CT, abdomen/pelvis — axial plane, index 96 — 512x512 px — scan has 15 labeled organs (counted over the whole 3D scan, not this slice; an organ is boxed only where this slice passes through it)
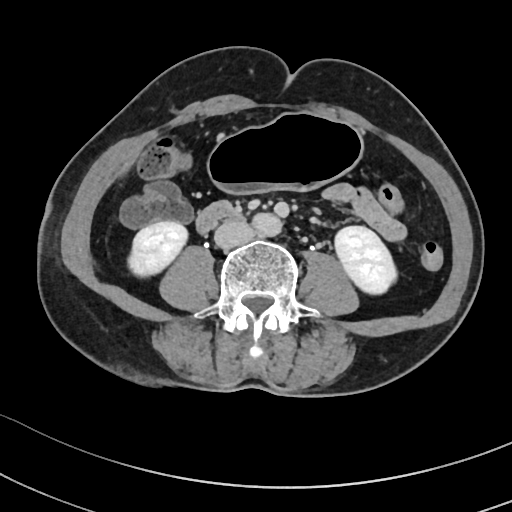 <organs><organ name="right kidney" x1="128" y1="221" x2="187" y2="277"/><organ name="left kidney" x1="334" y1="226" x2="397" y2="294"/><organ name="stomach" x1="208" y1="112" x2="362" y2="192"/><organ name="aorta" x1="252" y1="213" x2="282" y2="236"/><organ name="inferior vena cava" x1="214" y1="220" x2="254" y2="248"/><organ name="duodenum" x1="196" y1="202" x2="237" y2="233"/></organs>